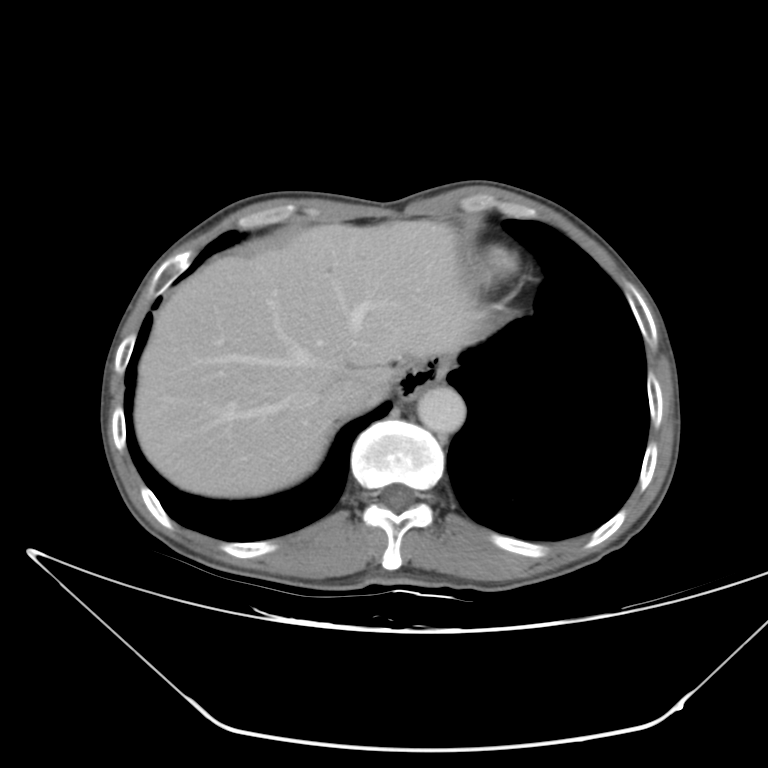

Computed tomography, abdomen. axial view
Boxes: x1 y1 x2 y2 (pixel coords, space-separated).
Organ bounding boxes:
- liver: 132 220 488 496
- stomach: 393 354 456 400
- aorta: 416 383 465 431
- inferior vena cava: 317 379 371 417